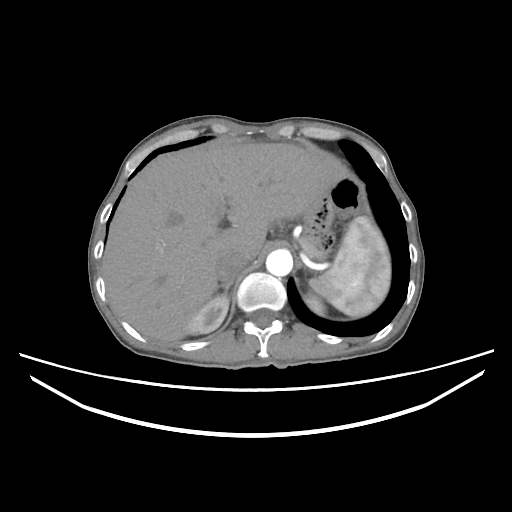

CT abdomen · Axial slice 68/118 · W/L 400/40 HU · 512x512 px
<organs><organ name="spleen" x1="309" y1="216" x2="390" y2="317"/><organ name="right kidney" x1="186" y1="294" x2="228" y2="334"/><organ name="left kidney" x1="305" y1="292" x2="325" y2="315"/><organ name="liver" x1="102" y1="142" x2="345" y2="342"/><organ name="aorta" x1="266" y1="249" x2="292" y2="276"/><organ name="inferior vena cava" x1="216" y1="251" x2="249" y2="282"/><organ name="right adrenal gland" x1="217" y1="281" x2="232" y2="294"/></organs>